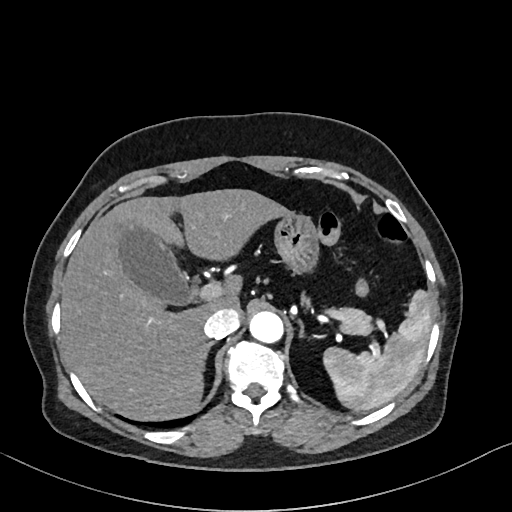
CT abdomen; Axial slice 172/222; soft-tissue window; SOMATOM Force scanner; scan has 15 labeled organs (that count is for the whole scan; organs this slice misses have no box)
Box edges are left/top/right/bottom in pixels.
Organ bounding boxes:
- spleen: left=323, top=290, right=431, bottom=411
- gall bladder: left=115, top=221, right=193, bottom=305
- liver: left=61, top=189, right=288, bottom=421
- stomach: left=273, top=211, right=317, bottom=271
- aorta: left=249, top=311, right=283, bottom=343
- inferior vena cava: left=203, top=307, right=239, bottom=338
- pancreas: left=301, top=291, right=373, bottom=335
- right adrenal gland: left=199, top=340, right=215, bottom=358
- left adrenal gland: left=298, top=318, right=313, bottom=340